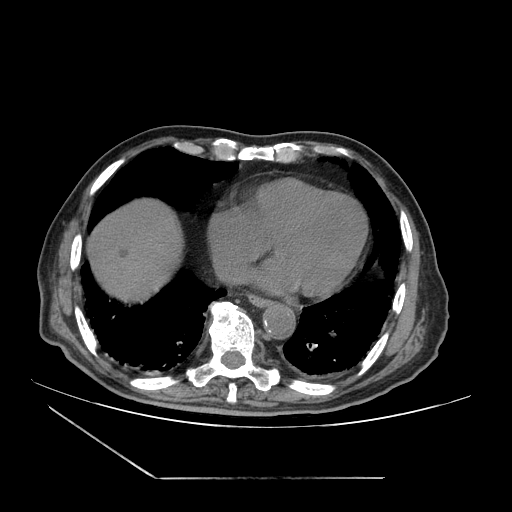
CT, abdomen/pelvis. axial view. soft-tissue window. acquired on SOMATOM Force. 15 organs annotated in this scan (a whole-scan count: organs this slice does not pass through have no box)
Boxes are (x1, y1, x2, y2) in pixels. The annotated organs in this slice are: liver at (89, 199, 180, 300), aorta at (263, 304, 295, 339), esophagus at (249, 296, 271, 308).